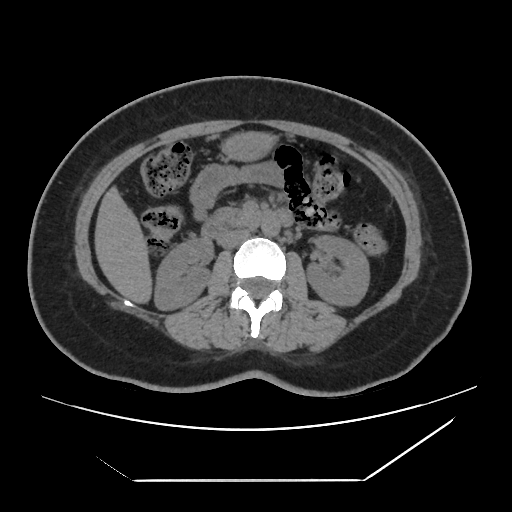
CT abdomen — axial view — acquired on SOMATOM Force
Boxes are (x1, y1, x2, y2) in pixels.
Organ bounding boxes:
- right kidney: (154, 238, 213, 308)
- left kidney: (306, 234, 370, 304)
- liver: (95, 189, 151, 302)
- stomach: (226, 133, 268, 158)
- aorta: (261, 219, 279, 236)
- inferior vena cava: (218, 227, 253, 248)
- pancreas: (216, 208, 250, 225)
- duodenum: (202, 208, 292, 240)